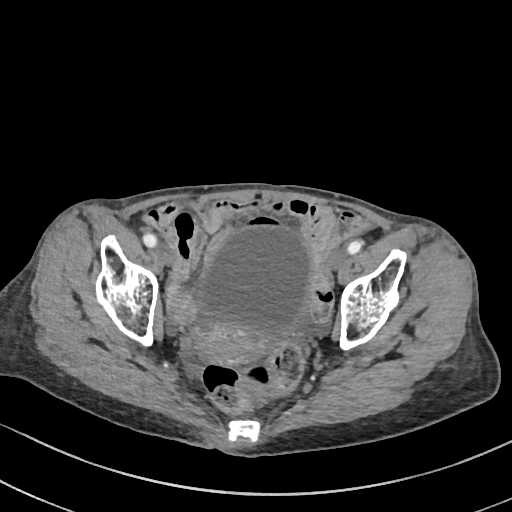 Abdominal CT. Axial slice 71/236. 512x512 px
<organs><organ name="prostate/uterus" x1="200" y1="317" x2="261" y2="364"/><organ name="bladder" x1="204" y1="228" x2="309" y2="330"/></organs>